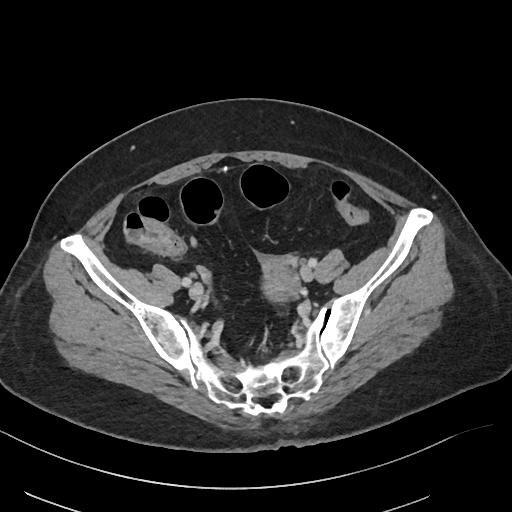
Computed tomography, abdomen · axial view
<organs><organ name="prostate/uterus" x1="263" y1="263" x2="301" y2="298"/></organs>